Abdominal CT; this slice is in the lower chest, just above the liver — axial plane, index 74 — 512x512 px — 61-year-old male patient
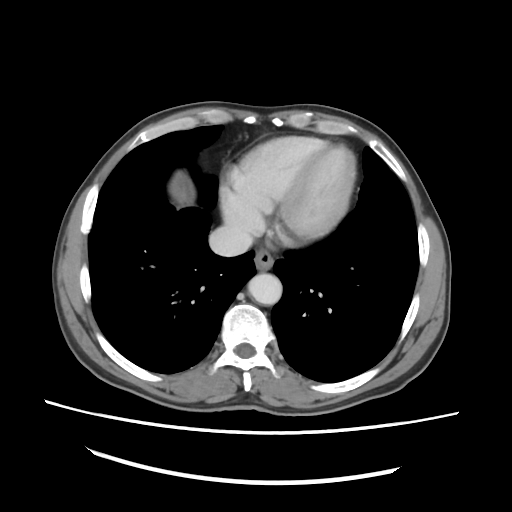 Of the structures in the chest, this dataset labels only the esophagus, the aorta and the inferior vena cava; the heart and lungs have no label.
Bounding boxes in pixels, one row per box: x1, y1 is the top-left corner and x2, y2 the bottom-right.
| organ | x1 | y1 | x2 | y2 |
|---|---|---|---|---|
| esophagus | 254 | 250 | 273 | 269 |
| aorta | 248 | 273 | 282 | 304 |
| inferior vena cava | 209 | 225 | 252 | 256 |